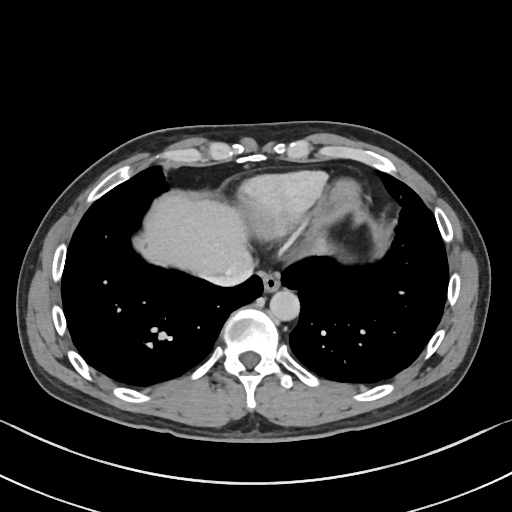
CT abdomen; Axial slice 183/291; abdomen soft-tissue window
Bounding boxes as [x1, y1, x2, y2] in pixel coordinates. The annotated organs in this slice are: esophagus at [259, 271, 280, 291], liver at [132, 190, 363, 275], aorta at [270, 290, 299, 320], inferior vena cava at [198, 266, 253, 285].